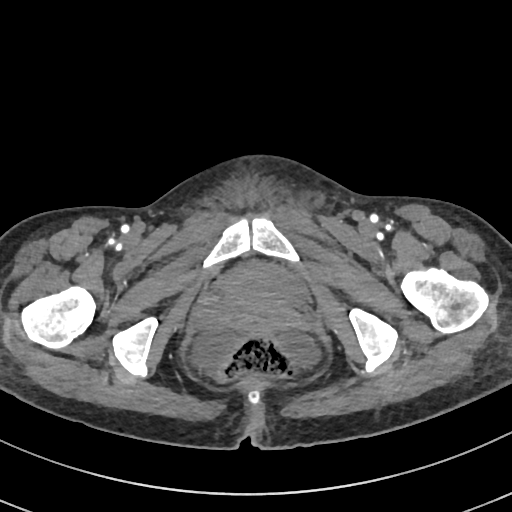
CT, abdomen/pelvis · Axial slice 11/237
Boxes: x1 y1 x2 y2 (pixel coords, space-separated).
bladder: 221 265 307 299